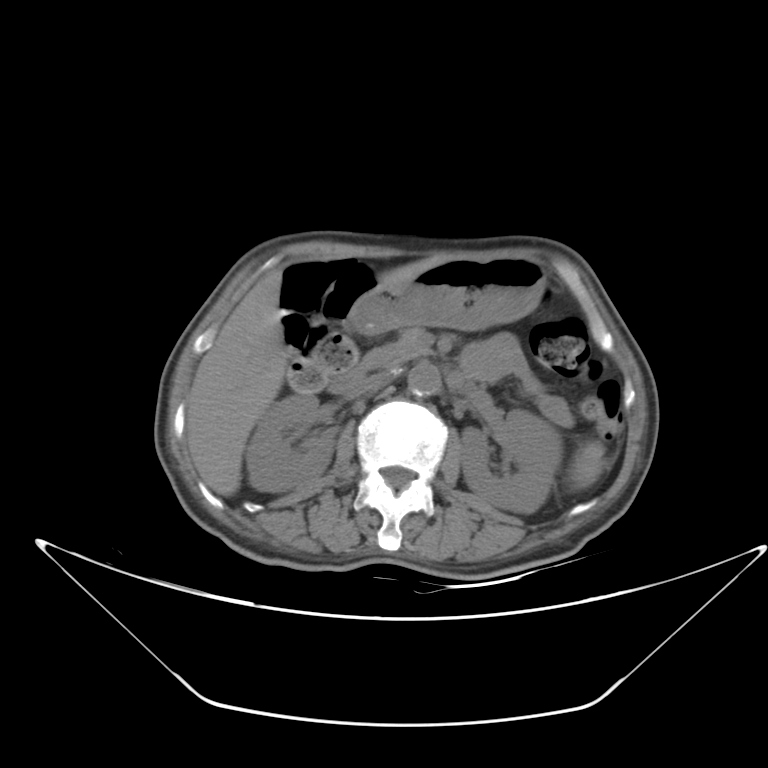
CT abdomen — axial view — 69-year-old male patient — acquired on Brilliance16 — 15 organs annotated in this scan (that count is for the whole scan; organs this slice misses have no box)
Boxes: x1 y1 x2 y2 (pixel coords, space-separated). 9 labeled organs on this slice — spleen at 572 441 606 485; right kidney at 245 394 335 492; left kidney at 460 410 560 512; liver at 186 256 458 494; stomach at 349 255 542 333; aorta at 405 361 442 397; inferior vena cava at 356 370 389 394; pancreas at 384 327 430 366; duodenum at 330 346 385 396.